Abdominal CT · axial view · soft-tissue window · 512x512 px · 15 organs annotated in this scan (that count is for the whole scan; organs this slice misses have no box)
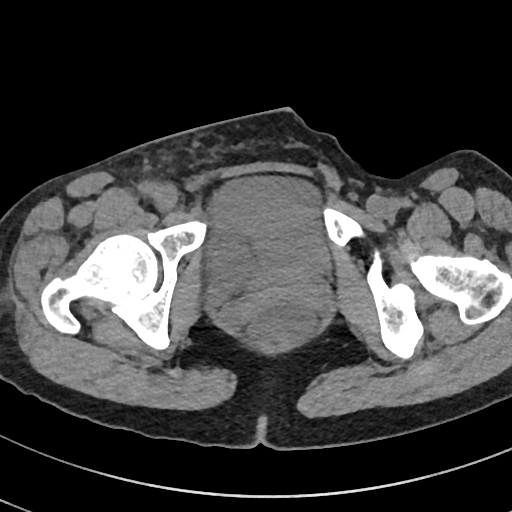

{"organs":{"bladder":[212,175,330,289]}}